CT, abdomen/pelvis. axial view. abdomen soft-tissue window. 768x768 px. Brilliance16 scanner
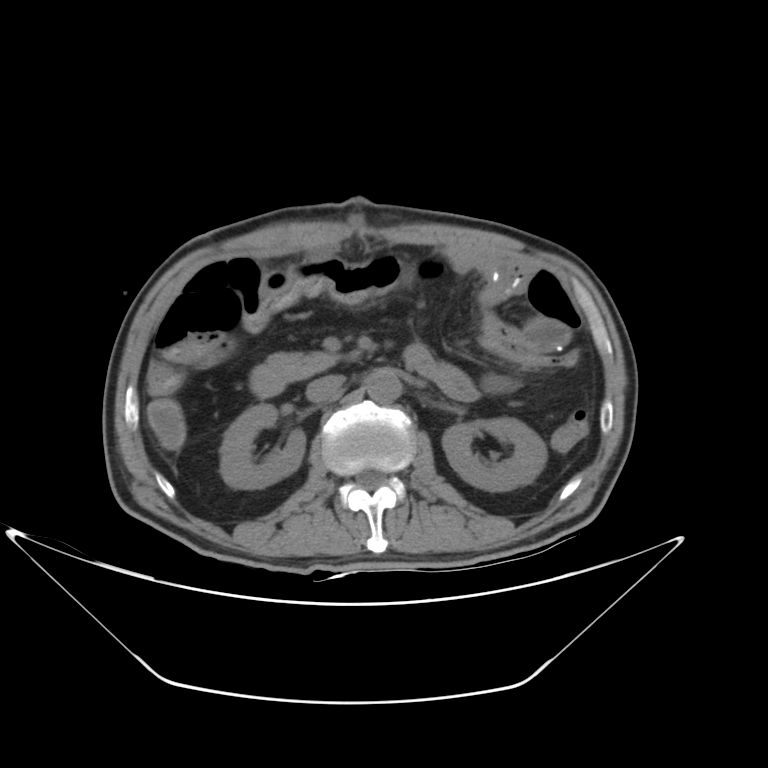 Bounding boxes in pixels, one row per box: x1, y1 is the top-left corner and x2, y2 the bottom-right.
| organ | x1 | y1 | x2 | y2 |
|---|---|---|---|---|
| right kidney | 220 | 404 | 305 | 489 |
| left kidney | 442 | 417 | 547 | 491 |
| aorta | 366 | 370 | 401 | 402 |
| inferior vena cava | 306 | 375 | 344 | 402 |
| pancreas | 266 | 351 | 345 | 381 |
| duodenum | 249 | 343 | 436 | 397 |